Computed tomography, abdomen · axial view · W/L 400/40 HU · 512x512 px · 40-year-old male patient · 15 organs annotated in this scan (a whole-scan count: organs this slice does not pass through have no box)
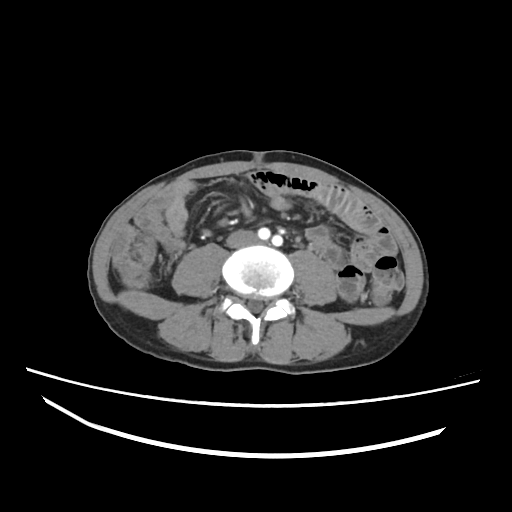

Bounding boxes in pixels, one row per box: x1, y1 is the top-left corner and x2, y2 the bottom-right.
| organ | x1 | y1 | x2 | y2 |
|---|---|---|---|---|
| inferior vena cava | 226 | 230 | 257 | 248 |